CT, abdomen/pelvis. axial view
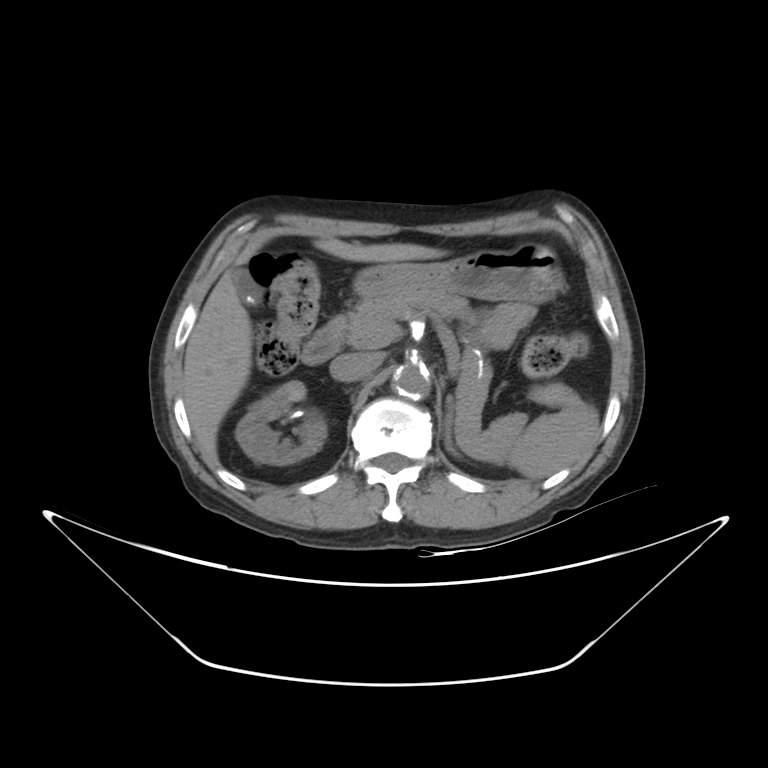
Box edges are left/top/right/bottom in pixels. The annotated organs in this slice are: inferior vena cava at left=329, top=352, right=381, bottom=381, spleen at left=508, top=398, right=598, bottom=478, left adrenal gland at left=445, top=395, right=454, bottom=453, aorta at left=392, top=364, right=429, bottom=399, stomach at left=354, top=243, right=564, bottom=303, duodenum at left=301, top=316, right=345, bottom=364, gall bladder at left=232, top=268, right=261, bottom=305, liver at left=181, top=234, right=445, bottom=461, pancreas at left=343, top=291, right=526, bottom=460, right kidney at left=235, top=381, right=327, bottom=465.